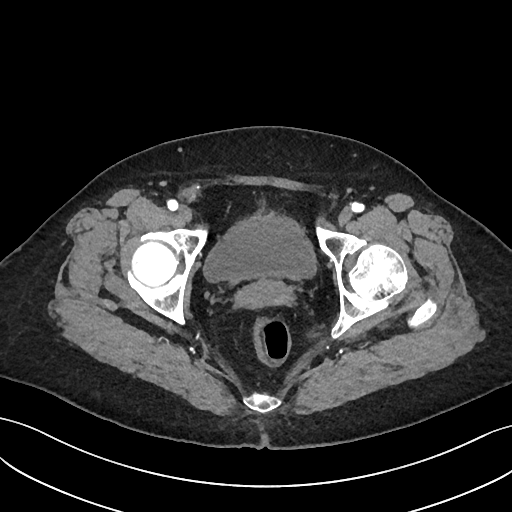
Computed tomography, abdomen; axial plane, index 22; 512x512 px; 15 organs annotated in this scan (counted over the whole 3D scan, not this slice; an organ is boxed only where this slice passes through it)
Each box given as x1,y1,x2,y2.
bladder: x1=204, y1=214, x2=314, y2=282
prostate/uterus: x1=238, y1=281, x2=289, y2=306